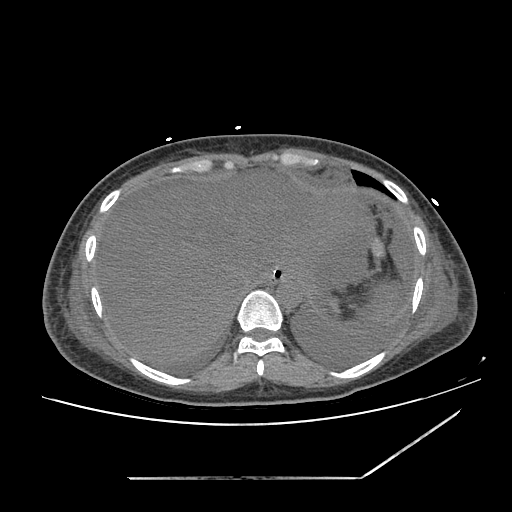

CT, abdomen/pelvis; axial view; abdomen soft-tissue window; acquired on SOMATOM Force
Boxes: x1:y1:x2:y2 in pixels.
Organ bounding boxes:
- spleen: 330:300:337:310
- esophagus: 264:268:286:283
- liver: 95:168:400:364
- stomach: 281:279:301:288
- aorta: 276:280:301:305
- inferior vena cava: 233:271:260:296